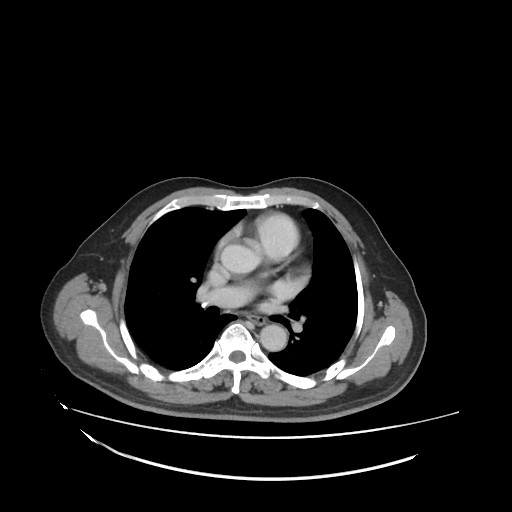

Chest-level slice from an abdominal CT that extends up into the chest · axial view · soft-tissue window · 512x512 px
On a slice this high in the chest, this dataset labels only the esophagus and the aorta, and each is boxed only where it is labeled; the heart, lungs and other chest structures are not labeled.
Organ boxes in pixel coordinates; each row gives the top-left (x1, y1) and bottom-right (x2, y2) corners.
| organ | x1 | y1 | x2 | y2 |
|---|---|---|---|---|
| esophagus | 245 | 313 | 267 | 325 |
| aorta | 260 | 324 | 286 | 351 |